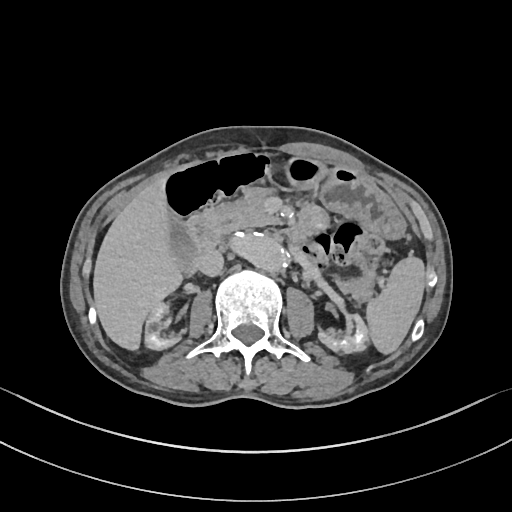

CT abdomen — axial view — scan has 15 labeled organs (that count is for the whole scan; organs this slice misses have no box)
{"organs":{"spleen":[365,255,425,355],"right kidney":[145,303,176,350],"left kidney":[317,314,368,353],"gall bladder":[169,218,197,271],"liver":[93,177,184,350],"stomach":[283,155,405,239],"aorta":[228,234,289,273],"inferior vena cava":[198,249,225,276],"pancreas":[205,188,279,236],"duodenum":[186,213,221,252]}}